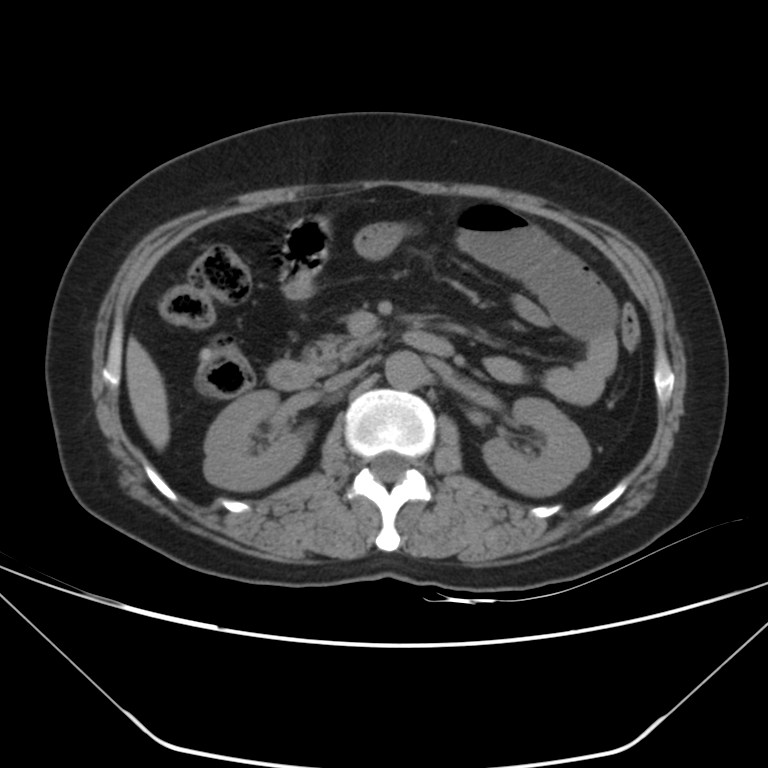

CT abdomen; axial plane, index 53; soft-tissue window; 768x768 px; 15 organs annotated in this scan (a whole-scan count: organs this slice does not pass through have no box)
Each box given as x1,y1,x2,y2.
Organ bounding boxes:
- right kidney: x1=204, y1=390, x2=305, y2=491
- left kidney: x1=482, y1=396, x2=591, y2=496
- liver: x1=125, y1=337, x2=170, y2=450
- aorta: x1=385, y1=350, x2=425, y2=389
- inferior vena cava: x1=324, y1=365, x2=364, y2=390
- pancreas: x1=303, y1=334, x2=379, y2=372
- duodenum: x1=266, y1=331, x2=455, y2=390